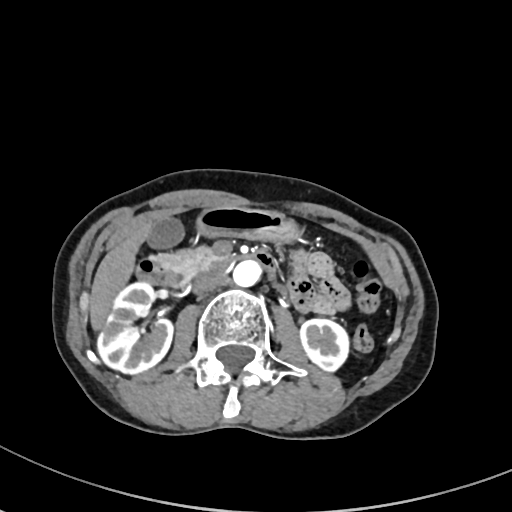

CT abdomen — axial view
Box edges are left/top/right/bottom in pixels.
Organ bounding boxes:
- right kidney: left=98, top=282, right=174, bottom=374
- left kidney: left=299, top=318, right=349, bottom=373
- gall bladder: left=147, top=216, right=184, bottom=249
- liver: left=88, top=221, right=152, bottom=328
- stomach: left=196, top=206, right=298, bottom=243
- aorta: left=232, top=260, right=262, bottom=287
- inferior vena cava: left=192, top=272, right=227, bottom=295
- pancreas: left=154, top=247, right=219, bottom=277
- duodenum: left=138, top=250, right=277, bottom=288